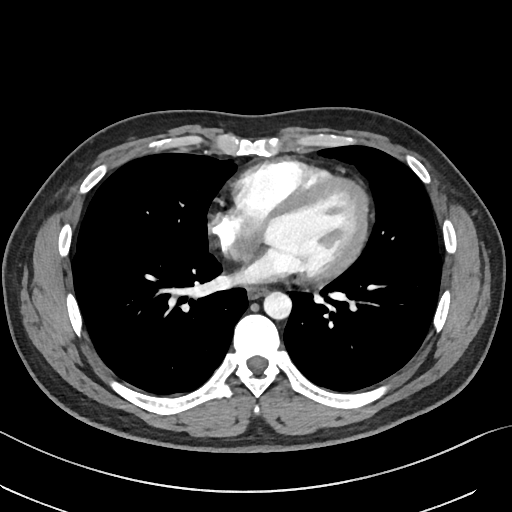 Lower-chest slice from an abdominal CT, just above the liver and spleen. axial view. W/L 400/40 HU
No part of the heart or lungs is labeled in this dataset, so neither has a box here.
<organs><organ name="esophagus" x1="247" y1="287" x2="266" y2="298"/><organ name="aorta" x1="263" y1="291" x2="291" y2="319"/></organs>